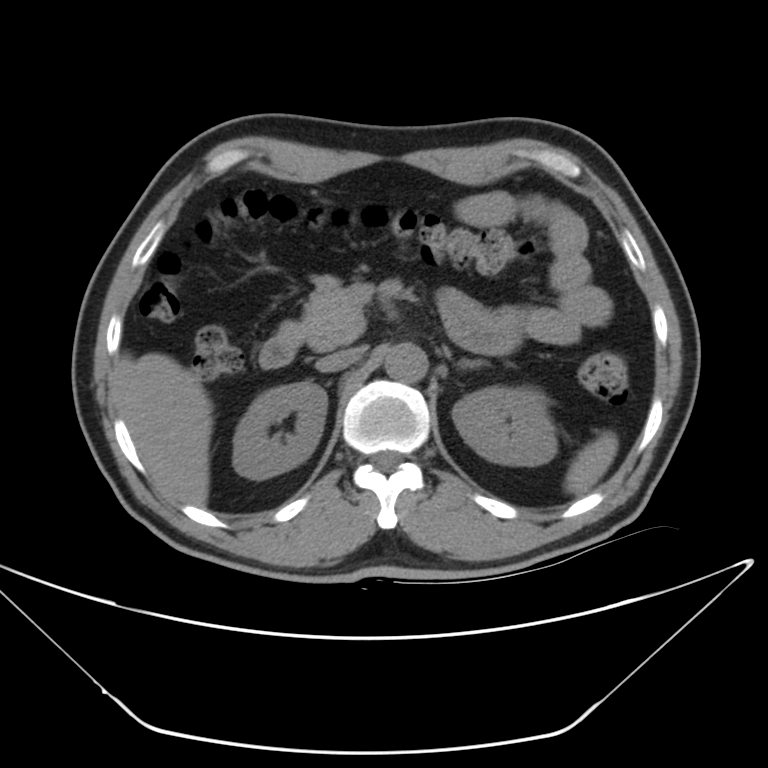

Abdominal CT; axial plane, index 80; abdomen soft-tissue window
<organs><organ name="spleen" x1="562" y1="430" x2="618" y2="498"/><organ name="right kidney" x1="235" y1="382" x2="326" y2="478"/><organ name="left kidney" x1="453" y1="385" x2="557" y2="468"/><organ name="liver" x1="116" y1="354" x2="211" y2="503"/><organ name="aorta" x1="386" y1="342" x2="428" y2="381"/><organ name="inferior vena cava" x1="315" y1="348" x2="359" y2="370"/><organ name="pancreas" x1="280" y1="277" x2="362" y2="347"/><organ name="left adrenal gland" x1="457" y1="359" x2="494" y2="368"/><organ name="duodenum" x1="260" y1="327" x2="302" y2="368"/></organs>